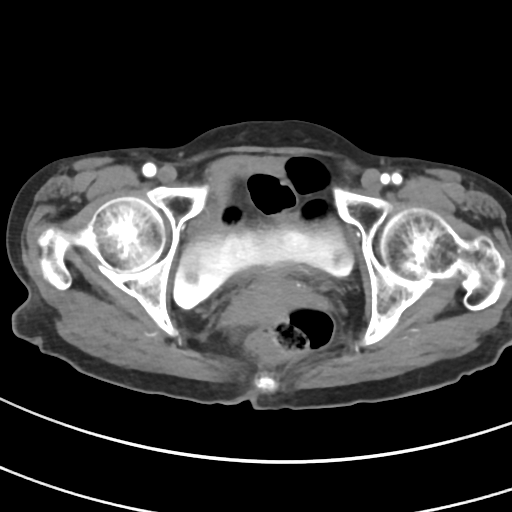 CT, abdomen/pelvis; axial view; soft-tissue window; scan has 15 labeled organs (counted over the whole 3D scan, not this slice; an organ is boxed only where this slice passes through it)
<organs><organ name="prostate/uterus" x1="231" y1="277" x2="305" y2="323"/><organ name="bladder" x1="173" y1="155" x2="353" y2="309"/></organs>